Abdominal CT · axial plane, index 49 · W/L 400/40 HU · acquired on Brilliance16
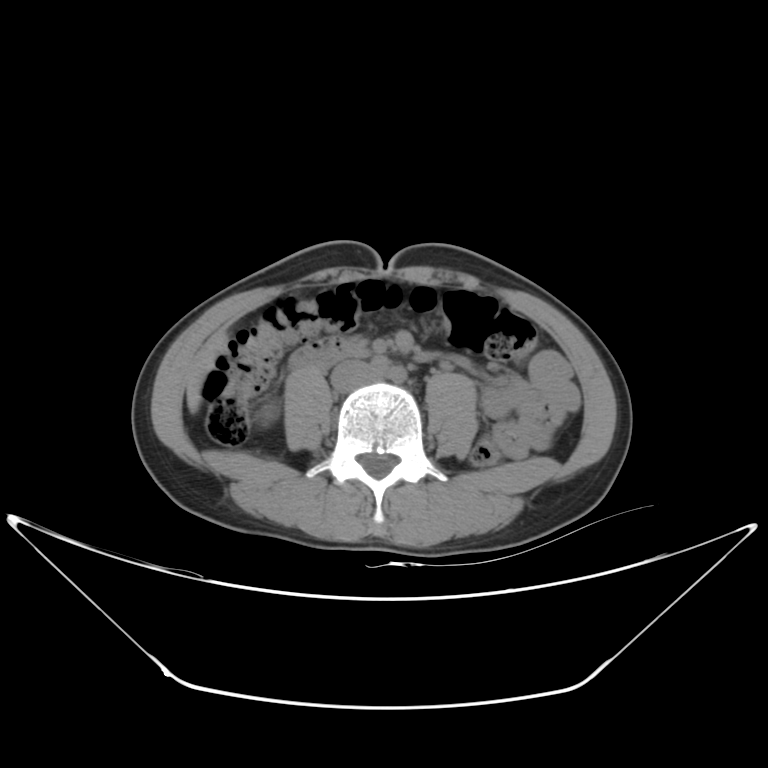

Boxes are (x1, y1, x2, y2) in pixels.
right kidney: (259, 405, 276, 422)
liver: (187, 331, 227, 413)
inferior vena cava: (331, 360, 376, 391)
duodenum: (288, 337, 368, 369)